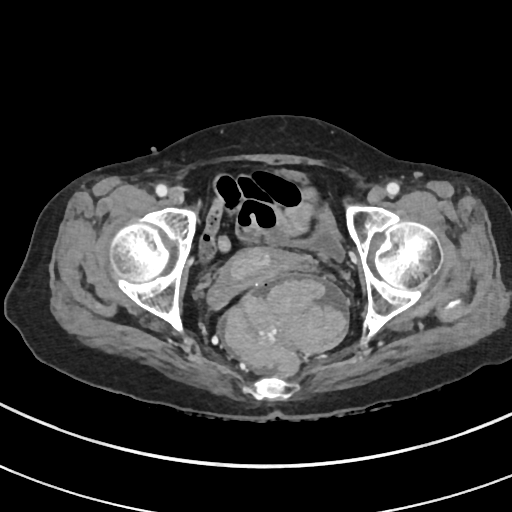

CT abdomen. Axial slice 25/284. soft-tissue window. 512x512 px. acquired on SOMATOM Force
<organs><organ name="bladder" x1="276" y1="168" x2="343" y2="262"/><organ name="prostate/uterus" x1="218" y1="247" x2="296" y2="292"/></organs>